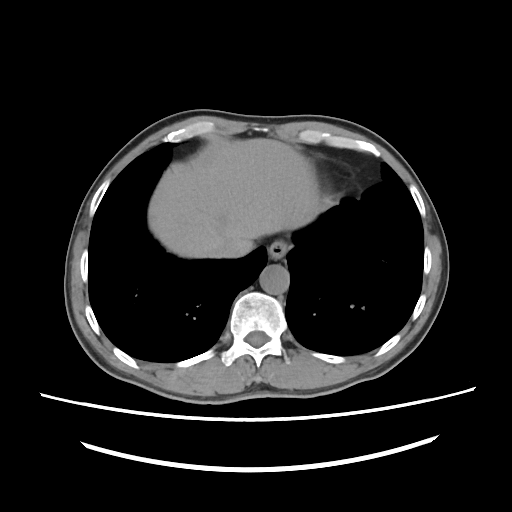

Computed tomography, abdomen; Axial slice 81/87; 15 organs annotated in this scan (that count is for the whole scan; organs this slice misses have no box)
Coordinates as <box>x1,y1,x2,y2</box> in pixels. The annotated organs in this slice are: esophagus at <box>268,240,288,258</box>, liver at <box>147,138,322,258</box>, aorta at <box>258,265,288,295</box>, inferior vena cava at <box>212,232,245,258</box>.